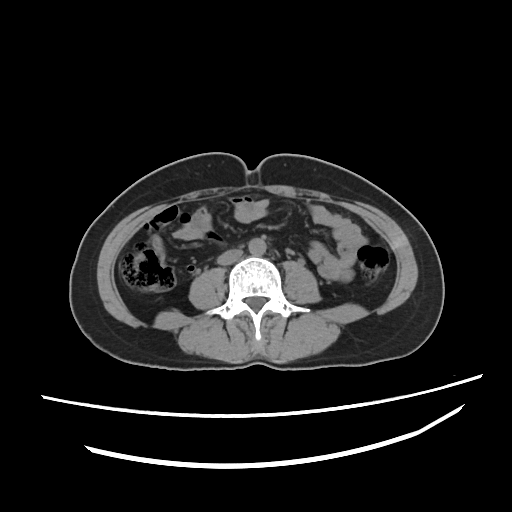 Abdominal CT; Axial slice 49/93; abdomen soft-tissue window; 15 organs annotated in this scan (counted over the whole 3D scan, not this slice; an organ is boxed only where this slice passes through it)
{"organs":{"aorta":[247,239,267,257],"inferior vena cava":[216,250,240,264]}}